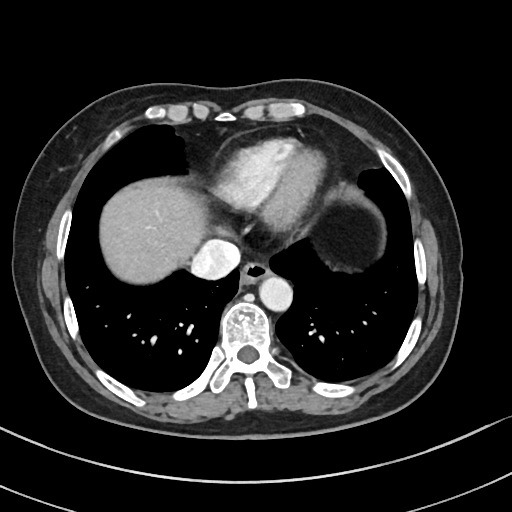 CT abdomen · axial view · 512x512 px
Bounding boxes as [x1, y1, x2, y2] in pixel coordinates.
esophagus: [240, 261, 270, 284]
liver: [100, 184, 205, 283]
inferior vena cava: [191, 239, 240, 279]
aorta: [259, 276, 292, 311]